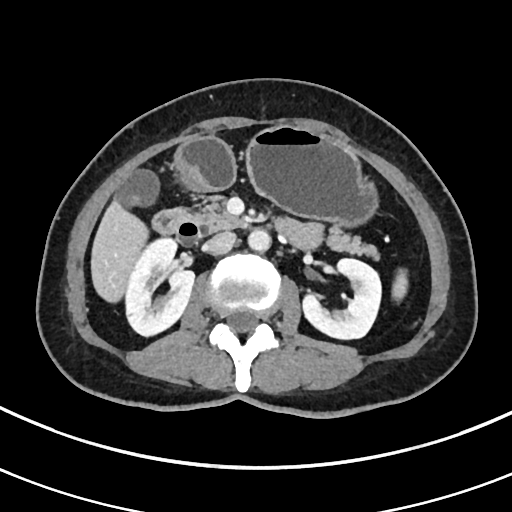
Computed tomography, abdomen. axial plane, index 124. soft-tissue window (W 400 / L 40). 512x512 px. 15 organs annotated in this scan (a whole-scan count: organs this slice does not pass through have no box)
Coordinates as <box>x1,y1,x2,y2</box> in pixels.
spleen: <box>391,269,407,301</box>
right kidney: <box>126,238,194,335</box>
left kidney: <box>302,258,382,339</box>
gall bladder: <box>114,170,158,209</box>
liver: <box>91,202,146,299</box>
stomach: <box>172,125,377,227</box>
aorta: <box>248,228,270,251</box>
inferior vena cava: <box>206,231,236,254</box>
pancreas: <box>192,201,376,256</box>
duodenum: <box>150,207,201,242</box>